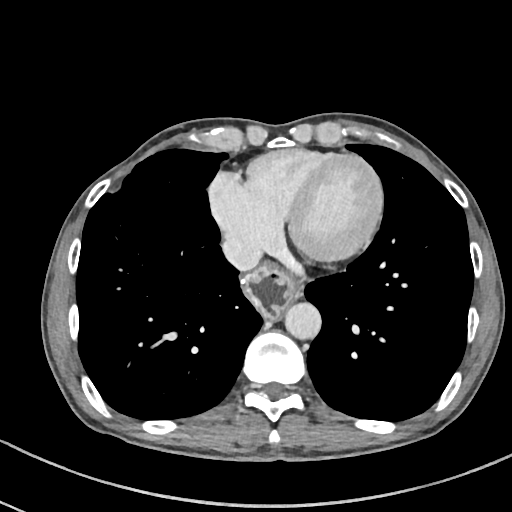

Abdominal CT; this slice is in the lower chest, just above the liver — axial view — 15 organs annotated in this scan (a whole-scan count: organs this slice does not pass through have no box)
The heart and lungs are never labeled in this dataset, so they have no box on this slice.
<organs><organ name="esophagus" x1="243" y1="265" x2="301" y2="320"/><organ name="aorta" x1="285" y1="302" x2="321" y2="339"/><organ name="inferior vena cava" x1="222" y1="236" x2="262" y2="271"/></organs>